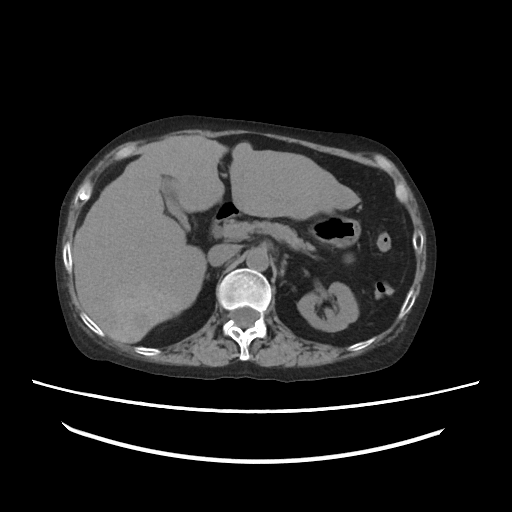

CT, abdomen/pelvis; axial view; W/L 400/40 HU; 61-year-old female patient; acquired on Aquilion ONE
{"organs":{"left kidney":[297,282,358,331],"gall bladder":[161,177,188,228],"liver":[72,135,359,343],"stomach":[212,201,360,247],"aorta":[246,249,269,270],"inferior vena cava":[208,244,237,266],"pancreas":[218,220,314,249]}}